CT of the abdomen extending into the chest, slice through the chest — axial view — soft-tissue window, W/L 400/40 — acquired on SOMATOM Force
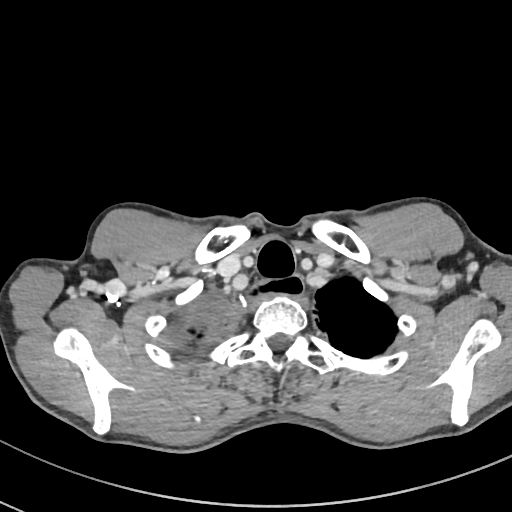 At this level of the chest this dataset labels only the esophagus and the aorta, and each is boxed only where it is labeled; the heart and lungs are never labeled.
Boxes: x1 y1 x2 y2 (pixel coords, space-separated).
esophagus: 249 273 305 307